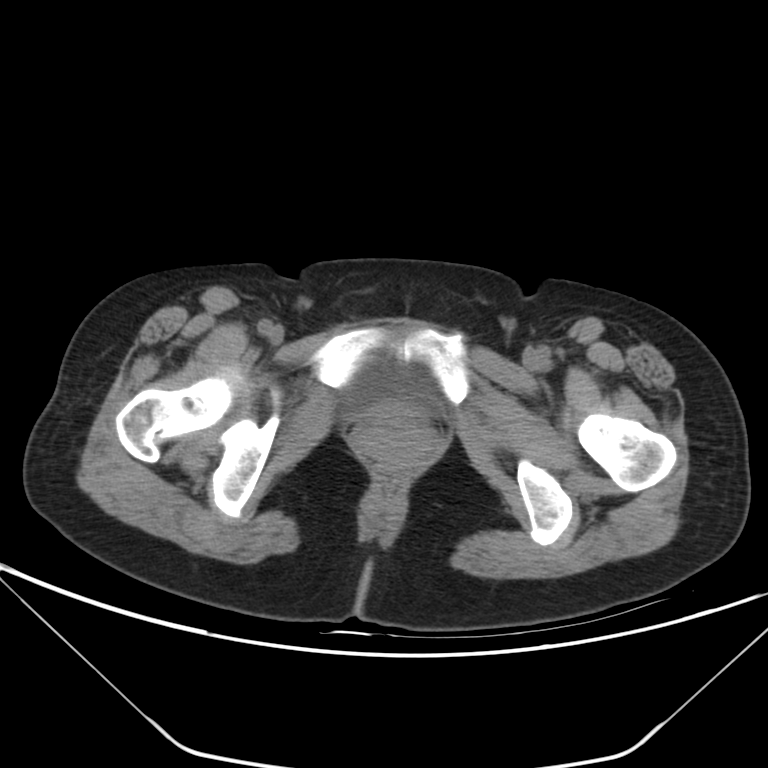
CT, abdomen/pelvis — Axial slice 3/90 — abdomen soft-tissue window
{"organs":{"bladder":[343,362,433,420]}}